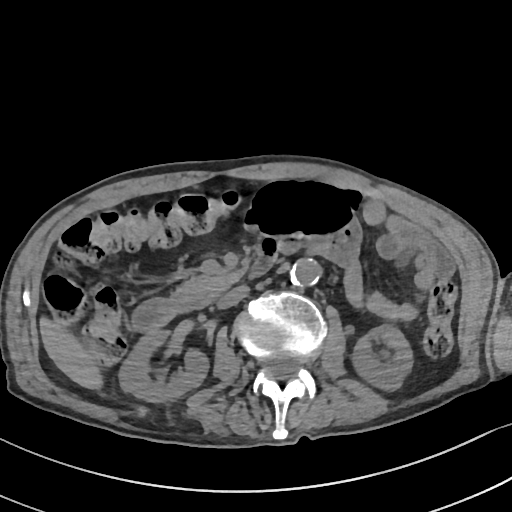
Abdominal CT — axial view
{"organs":{"right kidney":[119,333,209,402],"liver":[39,316,101,390],"duodenum":[130,249,276,333],"aorta":[289,259,319,288],"pancreas":[169,270,243,309],"inferior vena cava":[216,285,247,308],"left kidney":[352,322,413,390]}}